CT, abdomen/pelvis · axial view · abdomen soft-tissue window · 15 organs annotated in this scan (a whole-scan count: organs this slice does not pass through have no box)
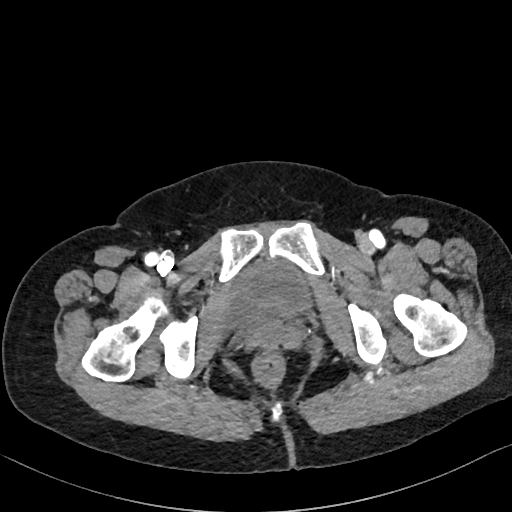 {"organs":{"bladder":[227,262,309,326]}}